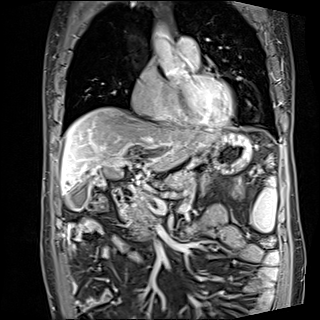

Abdominal MRI. coronal plane, index 39
Box edges are left/top/right/bottom in pixels. 7 labeled organs on this slice — spleen at left=251, top=178, right=277, bottom=232; gall bladder at left=67, top=183, right=88, bottom=211; liver at left=61, top=107, right=218, bottom=194; stomach at left=211, top=133, right=252, bottom=173; aorta at left=150, top=23, right=173, bottom=51; pancreas at left=120, top=170, right=196, bottom=240; duodenum at left=112, top=188, right=131, bottom=207.